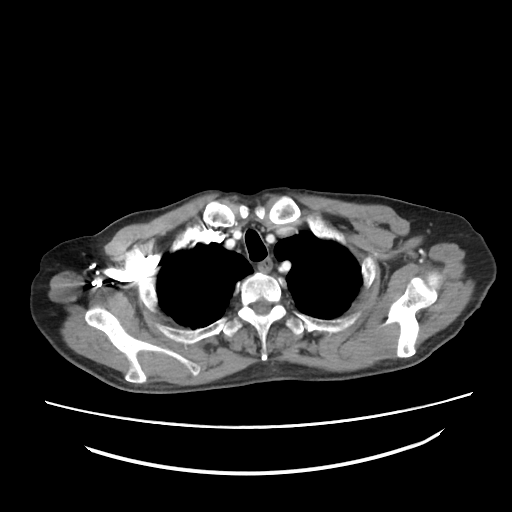
Chest-level slice from an abdominal CT that extends up into the chest. axial view. soft-tissue window, W/L 400/40. 512x512 px
On a slice this high in the chest, this dataset labels only the esophagus and the aorta, and each is boxed only where it is labeled; the heart, lungs and other chest structures are not labeled.
<organs><organ name="esophagus" x1="259" y1="260" x2="271" y2="271"/></organs>